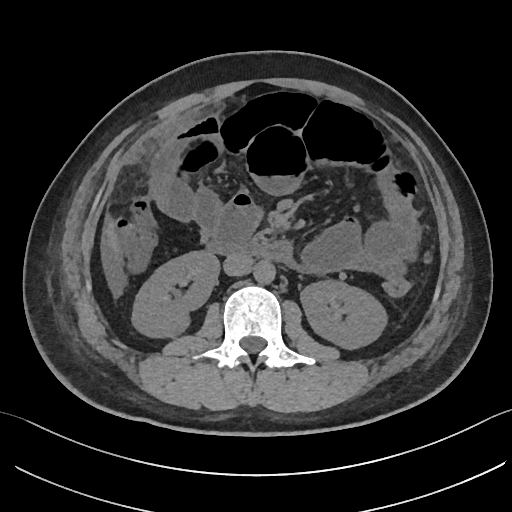
CT abdomen. Axial slice 140/234
<organs><organ name="duodenum" x1="207" y1="239" x2="296" y2="266"/><organ name="right kidney" x1="131" y1="251" x2="219" y2="339"/><organ name="inferior vena cava" x1="223" y1="254" x2="253" y2="276"/><organ name="aorta" x1="253" y1="261" x2="276" y2="284"/><organ name="liver" x1="106" y1="213" x2="121" y2="263"/><organ name="left kidney" x1="300" y1="280" x2="388" y2="350"/></organs>